Chest-level slice from an abdominal CT that extends up into the chest · axial plane, index 108 · 512x512 px · 40-year-old male patient
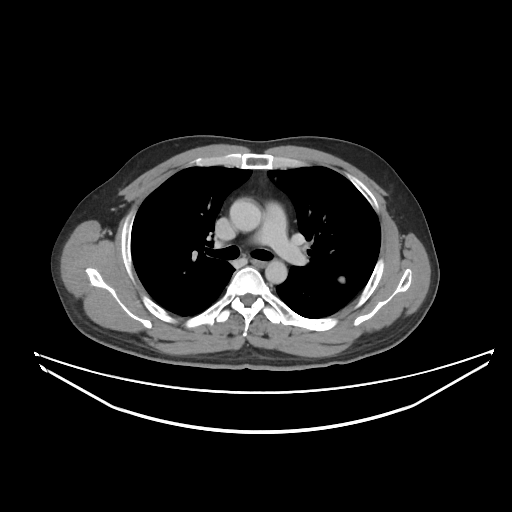
At this level of the chest no structure but the esophagus and the aorta has a label in this dataset, and those two are boxed only where they are labeled.
Bounding boxes as [x1, y1, x2, y2] in pixel coordinates.
aorta: [229, 198, 261, 231]
aorta: [265, 260, 287, 283]
esophagus: [251, 259, 267, 268]